CT, abdomen/pelvis — Axial slice 120/245
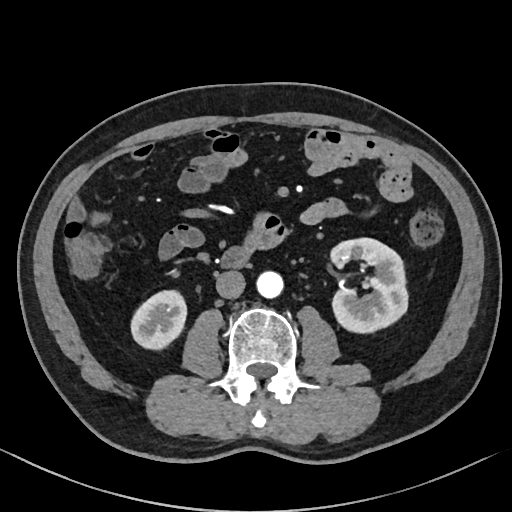 <organs><organ name="inferior vena cava" x1="215" y1="270" x2="244" y2="298"/><organ name="left kidney" x1="330" y1="237" x2="407" y2="332"/><organ name="right kidney" x1="132" y1="291" x2="185" y2="349"/><organ name="aorta" x1="256" y1="271" x2="282" y2="297"/><organ name="duodenum" x1="222" y1="246" x2="250" y2="267"/></organs>